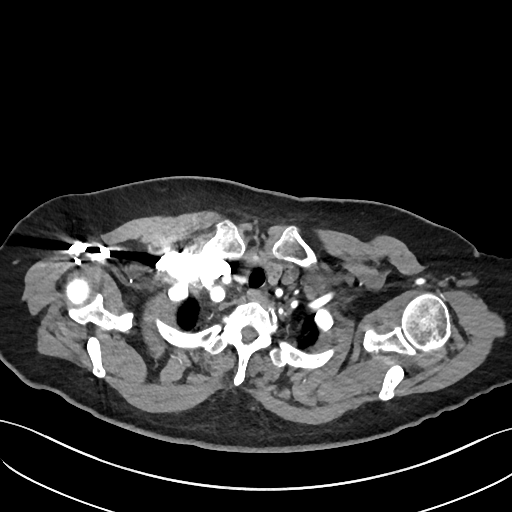

CT of the abdomen extending into the chest, slice through the chest; axial view
On a slice this high in the chest, this dataset labels only the esophagus and the aorta, and each is boxed only where it is labeled; the heart, lungs and other chest structures are not labeled.
Bounding boxes in pixels, one row per box: x1, y1 is the top-left corner and x2, y2 the bottom-right.
| organ | x1 | y1 | x2 | y2 |
|---|---|---|---|---|
| esophagus | 247 | 289 | 267 | 303 |